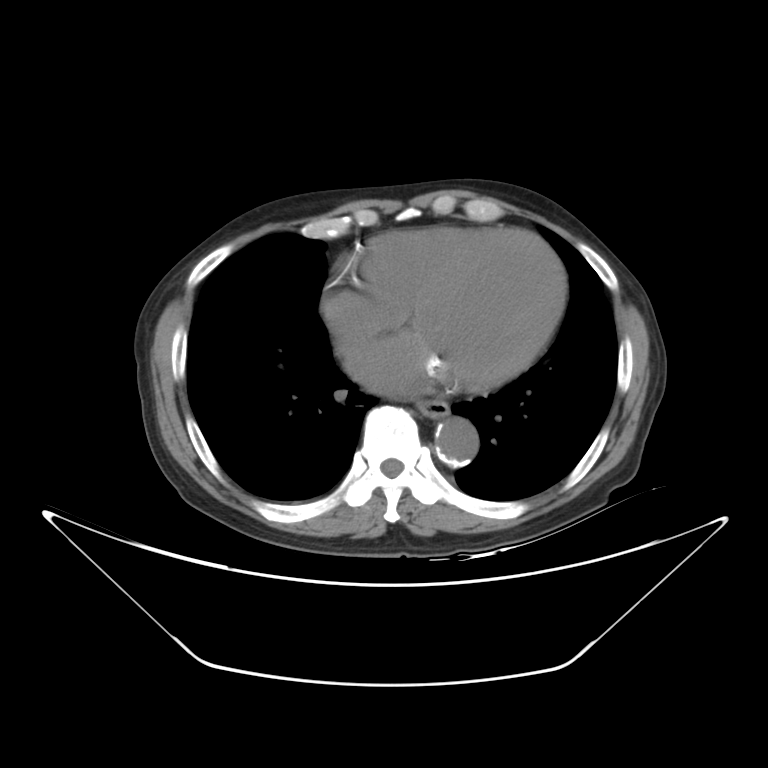
Abdominal CT; this slice is in the lower chest, just above the liver · axial view · 768x768 px
The heart and lungs are never labeled in this dataset, so they have no box on this slice.
<organs><organ name="esophagus" x1="416" y1="399" x2="449" y2="418"/><organ name="aorta" x1="435" y1="418" x2="478" y2="466"/></organs>